CT abdomen — axial view — soft-tissue window — 15 organs annotated in this scan (that count is for the whole scan; organs this slice misses have no box)
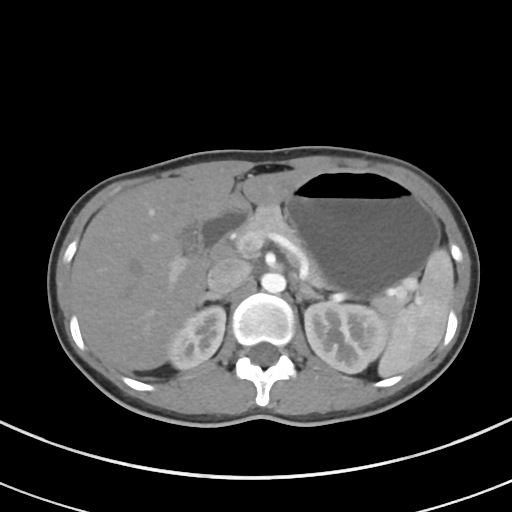

Coordinates as <box>x1,y1,x2,y2</box> in pixels.
Organ bounding boxes:
- stomach: <box>237,169,439,297</box>
- spleen: <box>378,248,453,376</box>
- liver: <box>70,170,312,370</box>
- pancreas: <box>239,204,399,310</box>
- left adrenal gland: <box>297,284,324,301</box>
- right kidney: <box>168,306,225,369</box>
- gall bladder: <box>182,227,200,253</box>
- aorta: <box>261,272,285,293</box>
- inferior vena cava: <box>207,257,250,294</box>
- right adrenal gland: <box>197,291,226,307</box>
- left kidney: <box>304,302,387,373</box>
- duodenum: <box>197,210,246,254</box>